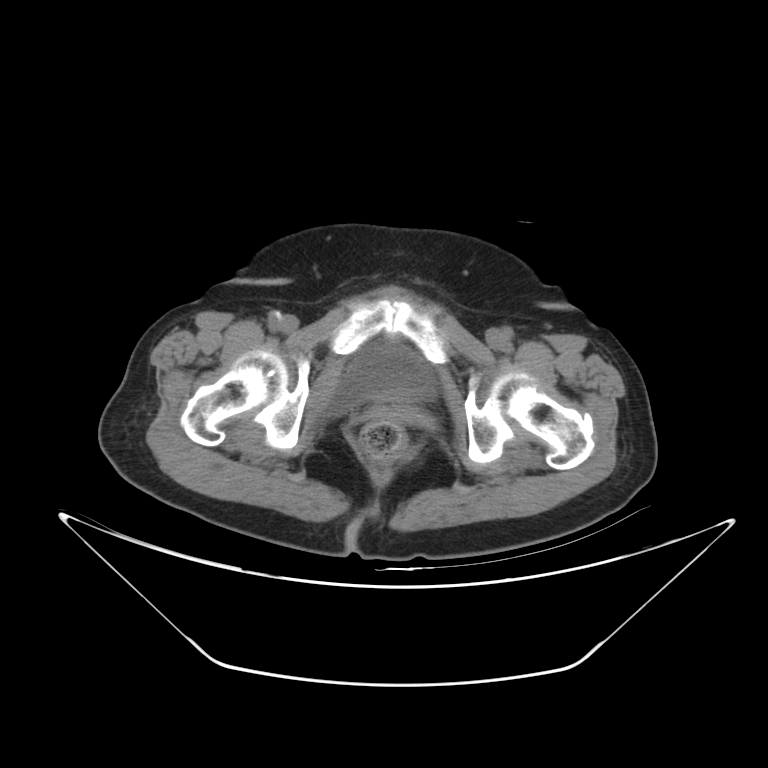
CT, abdomen/pelvis — Axial slice 12/93 — 768x768 px
Boxes: x1 y1 x2 y2 (pixel coords, space-separated). Labeled organs on this slice: bladder at 331 341 434 412.